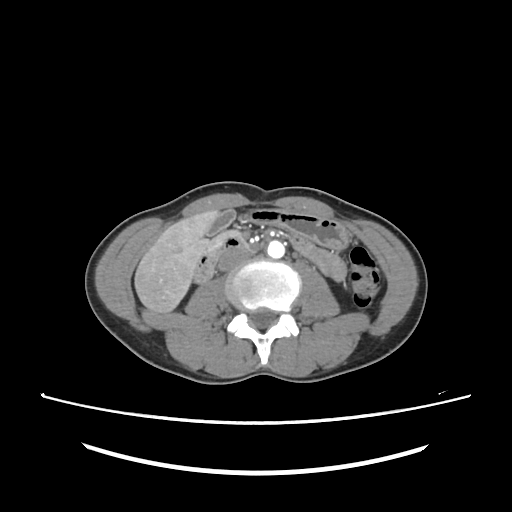 CT, abdomen/pelvis · axial view · 15 organs annotated in this scan (counted over the whole 3D scan, not this slice; an organ is boxed only where this slice passes through it)
Bounding boxes in pixels, one row per box: x1, y1 is the top-left corner and x2, y2 the bottom-right.
| organ | x1 | y1 | x2 | y2 |
|---|---|---|---|---|
| gall bladder | 207 | 210 | 238 | 234 |
| liver | 134 | 210 | 218 | 312 |
| stomach | 249 | 209 | 348 | 250 |
| aorta | 267 | 240 | 284 | 258 |
| inferior vena cava | 218 | 250 | 249 | 271 |
| pancreas | 209 | 235 | 222 | 250 |
| duodenum | 194 | 232 | 247 | 284 |